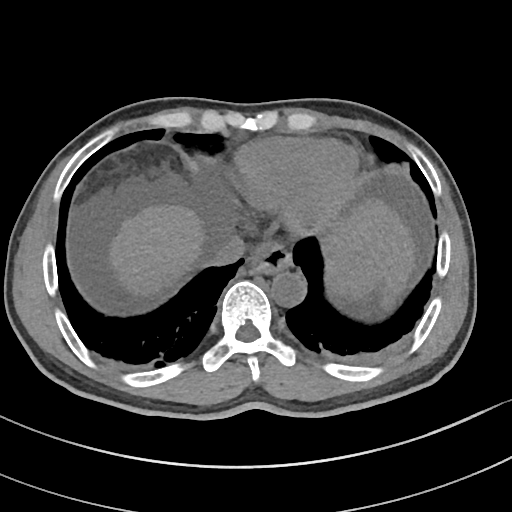 CT, abdomen/pelvis; axial view; soft-tissue window (W 400 / L 40); 512x512 px; SOMATOM Force scanner
{"organs":{"spleen":[326,236,377,300],"esophagus":[245,243,292,274],"liver":[108,199,415,310],"aorta":[271,270,306,307],"inferior vena cava":[202,234,245,265]}}